Abdominal CT; Axial slice 47/81; 50-year-old female patient
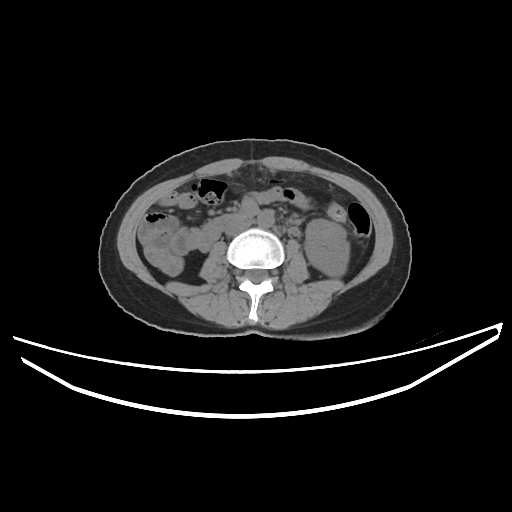
<organs><organ name="left kidney" x1="304" y1="219" x2="349" y2="276"/><organ name="aorta" x1="257" y1="210" x2="274" y2="227"/><organ name="inferior vena cava" x1="224" y1="218" x2="251" y2="236"/></organs>